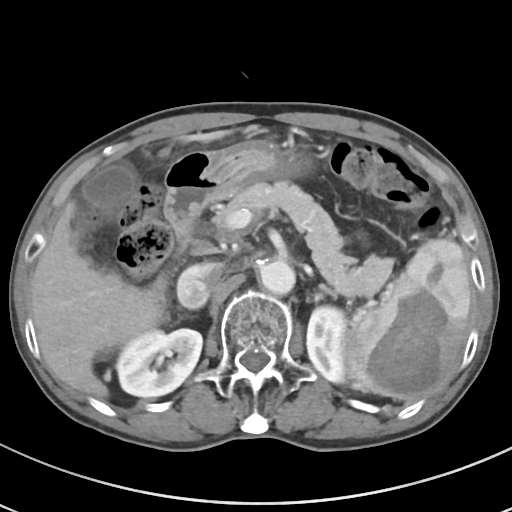

CT, abdomen/pelvis · axial plane, index 60 · acquired on SOMATOM Force
Each box given as x1,y1,x2,y2.
Organ bounding boxes:
- spleen: x1=346, y1=238, x2=471, y2=401
- right kidney: x1=116, y1=328, x2=202, y2=397
- left kidney: x1=306, y1=306, x2=346, y2=382
- gall bladder: x1=82, y1=162, x2=136, y2=210
- liver: x1=31, y1=130, x2=230, y2=398
- stomach: x1=203, y1=140, x2=310, y2=201
- aorta: x1=259, y1=260, x2=295, y2=294
- inferior vena cava: x1=177, y1=263, x2=221, y2=309
- pancreas: x1=213, y1=180, x2=393, y2=297
- left adrenal gland: x1=319, y1=283, x2=337, y2=297
- duodenum: x1=154, y1=151, x2=210, y2=291